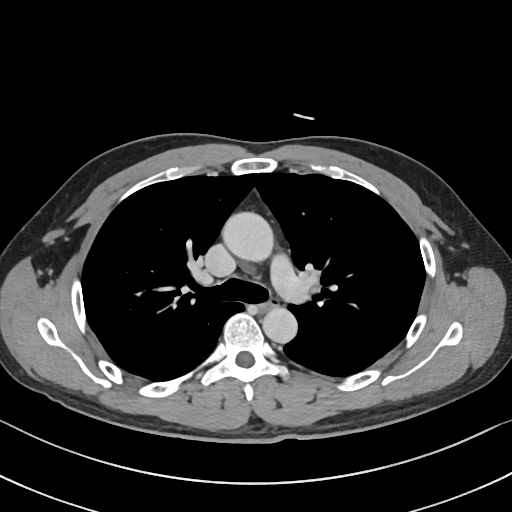 Chest-level CT slice, above the liver and spleen · Axial slice 239/291 · 512x512 px
At this level of the chest no structure but the esophagus and the aorta has a label in this dataset, and those two are boxed only where they are labeled.
Coordinates as <box>x1,y1,x2,y2</box> in pixels.
aorta: <box>223,213,274,263</box>
aorta: <box>262,306,297,343</box>
esophagus: <box>260,295,278,309</box>